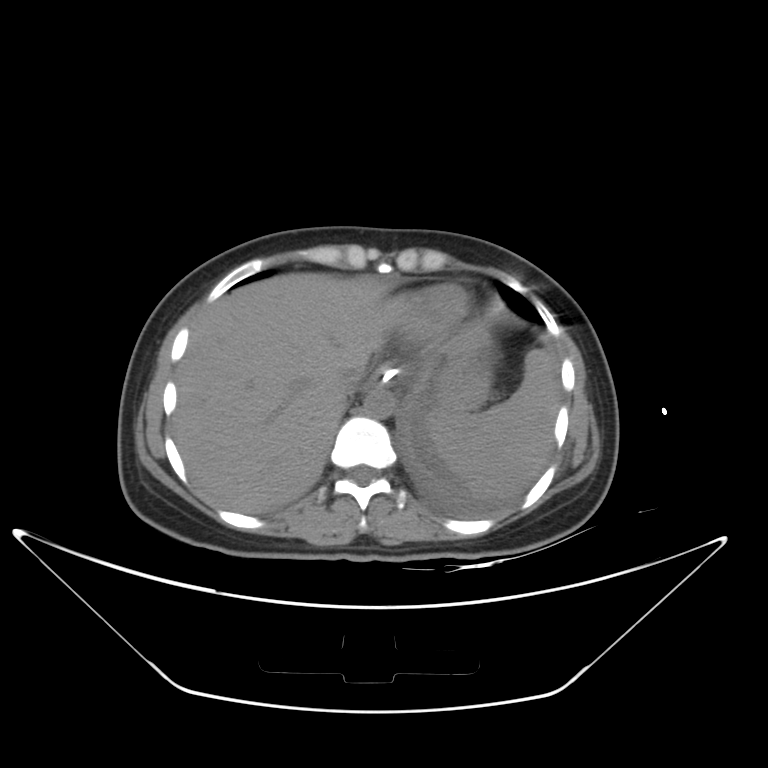

Computed tomography, abdomen · Axial slice 84/95 · soft-tissue window
Boxes are (x1, y1, x2, y2) in pixels.
spleen: (426, 350, 559, 496)
esophagus: (367, 363, 401, 388)
liver: (172, 273, 487, 512)
stomach: (399, 343, 498, 409)
aorta: (363, 387, 394, 419)
inferior vena cava: (338, 361, 368, 393)